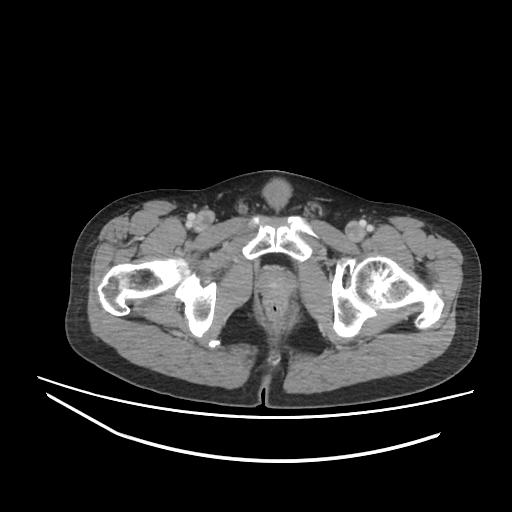
CT, abdomen/pelvis — axial view — 54-year-old male patient — Aquilion ONE scanner
Boxes are (x1, y1, x2, y2) in pixels.
prostate/uterus: (258, 267, 294, 299)